Chest-level slice from an abdominal CT that extends up into the chest — axial plane, index 288 — 512x512 px
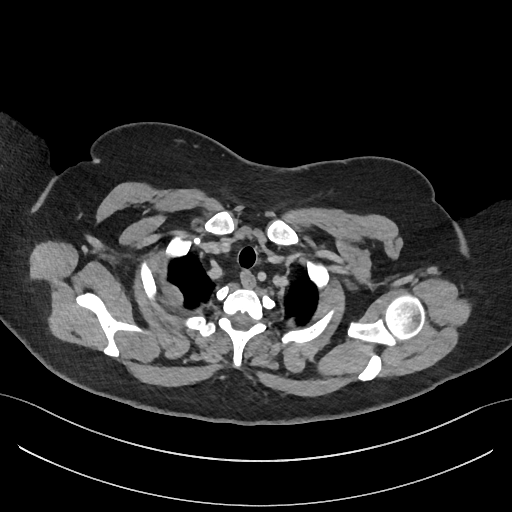

At this level of the chest no structure but the esophagus and the aorta has a label in this dataset, and those two are boxed only where they are labeled.
<organs><organ name="esophagus" x1="241" y1="271" x2="253" y2="286"/></organs>